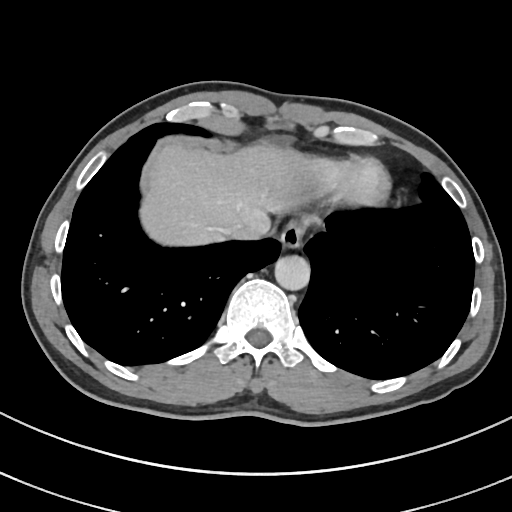

CT abdomen; axial view; scan has 15 labeled organs (that count is for the whole scan; organs this slice misses have no box)
<organs><organ name="esophagus" x1="278" y1="223" x2="303" y2="250"/><organ name="liver" x1="143" y1="143" x2="315" y2="245"/><organ name="aorta" x1="275" y1="256" x2="311" y2="291"/><organ name="inferior vena cava" x1="221" y1="223" x2="248" y2="235"/></organs>